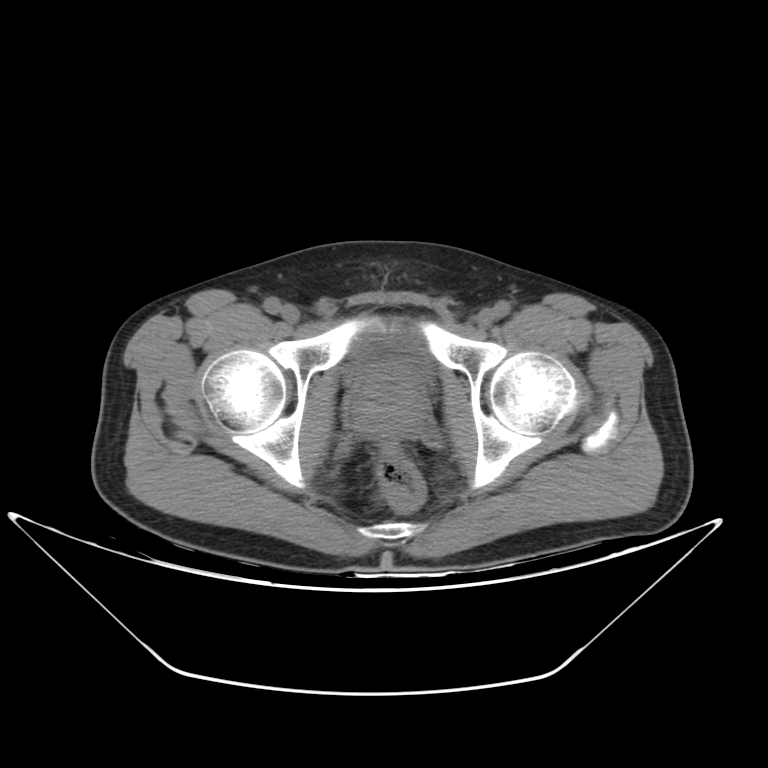 CT abdomen · axial view · W/L 400/40 HU · acquired on Brilliance16
<organs><organ name="bladder" x1="347" y1="334" x2="431" y2="378"/><organ name="prostate/uterus" x1="351" y1="364" x2="422" y2="435"/></organs>